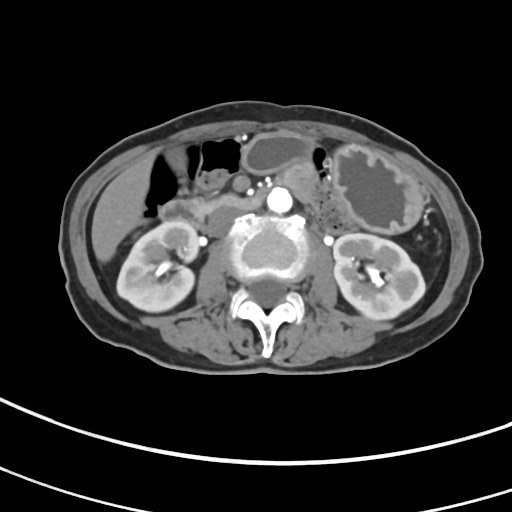
CT, abdomen/pelvis — Axial slice 50/118
Each box given as x1,y1,x2,y2.
Organ bounding boxes:
- right kidney: x1=116, y1=221, x2=198, y2=312
- left kidney: x1=333, y1=233, x2=425, y2=319
- gall bladder: x1=168, y1=147, x2=186, y2=170
- liver: x1=91, y1=154, x2=153, y2=262
- stomach: x1=240, y1=134, x2=420, y2=232
- aorta: x1=267, y1=188, x2=292, y2=213
- inferior vena cava: x1=206, y1=208, x2=239, y2=236
- duodenum: x1=158, y1=194, x2=263, y2=227